Computed tomography, abdomen. axial view. abdomen soft-tissue window. 512x512 px
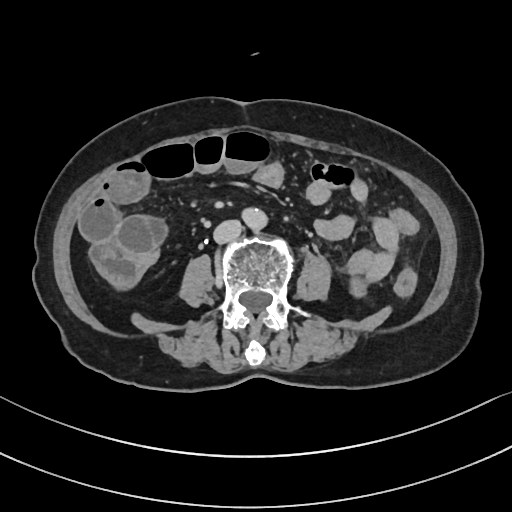

{"organs":{"aorta":[240,207,266,229],"inferior vena cava":[213,219,242,243]}}